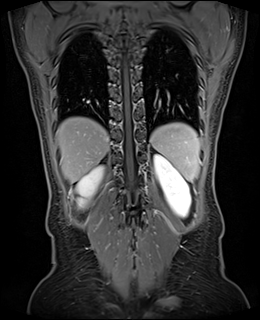 MRI, abdomen — coronal view — 260x320 px — scan has 13 labeled organs (counted over the whole 3D scan, not this slice; an organ is boxed only where this slice passes through it)
Boxes: x1 y1 x2 y2 (pixel coords, space-separated). Labeled organs on this slice: spleen at 150 122 199 181, right kidney at 77 166 103 206, left kidney at 154 154 191 217, liver at 56 117 109 182.